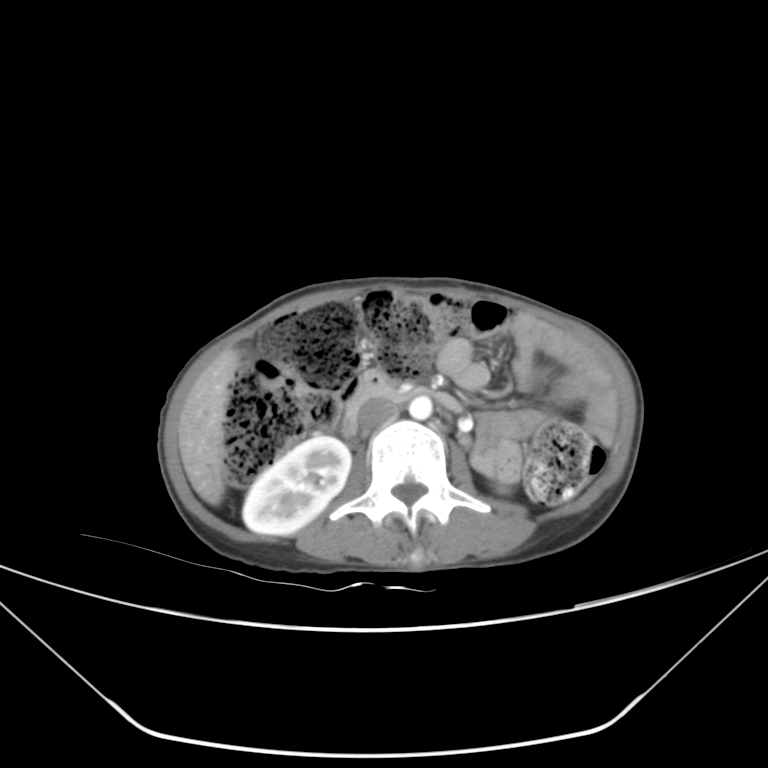 Abdominal CT; axial view; W/L 400/40 HU
Boxes are (x1, y1, x2, y2) in pixels.
right kidney: (243, 435, 351, 535)
liver: (179, 350, 238, 505)
inferior vena cava: (361, 400, 400, 430)
aorta: (409, 396, 432, 420)
duodenum: (339, 372, 464, 437)